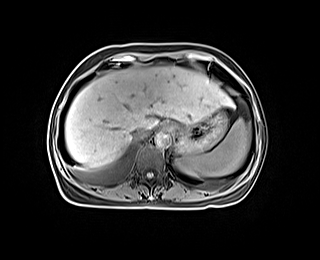
MRI, abdomen; axial plane, index 57; 13 organs annotated in this scan (a whole-scan count: organs this slice does not pass through have no box)
Bounding boxes as [x1, y1, x2, y2] in pixel coordinates. Labeled organs on this slice: spleen at [176, 119, 250, 177], stomach at [171, 109, 227, 155], liver at [65, 67, 234, 167], esophagus at [165, 123, 173, 130], inferior vena cava at [131, 128, 148, 139], aorta at [154, 131, 171, 147].